Computed tomography, abdomen · axial plane, index 74 · soft-tissue window (W 400 / L 40) · 512x512 px · 15 organs annotated in this scan (a whole-scan count: organs this slice does not pass through have no box)
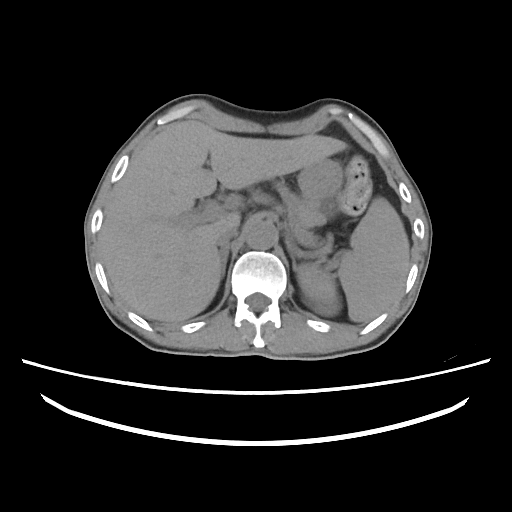 Box edges are left/top/right/bottom in pixels.
spleen: left=296, top=197, right=409, bottom=322
left kidney: left=301, top=288, right=339, bottom=316
liver: left=99, top=119, right=347, bottom=322
stomach: left=298, top=159, right=340, bottom=215
aorta: left=246, top=221, right=277, bottom=249
inferior vena cava: left=217, top=229, right=239, bottom=248
pancreas: left=290, top=191, right=325, bottom=226
right adrenal gland: left=219, top=241, right=229, bottom=275
left adrenal gland: left=286, top=247, right=300, bottom=269